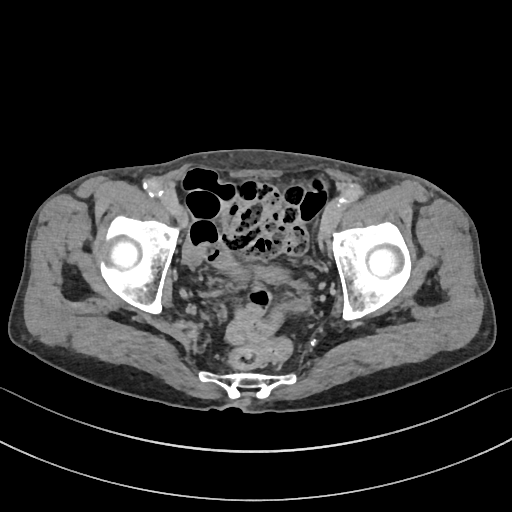

CT abdomen. Axial slice 45/204. soft-tissue window
<organs><organ name="bladder" x1="253" y1="265" x2="290" y2="283"/></organs>